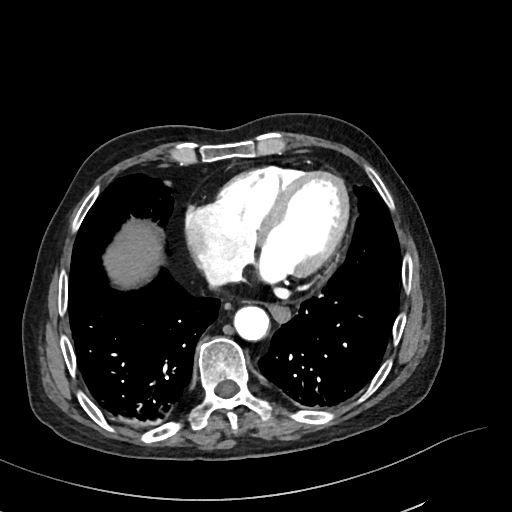 CT abdomen. axial view. 512x512 px
<organs><organ name="esophagus" x1="269" y1="306" x2="290" y2="322"/><organ name="liver" x1="107" y1="225" x2="160" y2="283"/><organ name="aorta" x1="233" y1="306" x2="269" y2="341"/></organs>